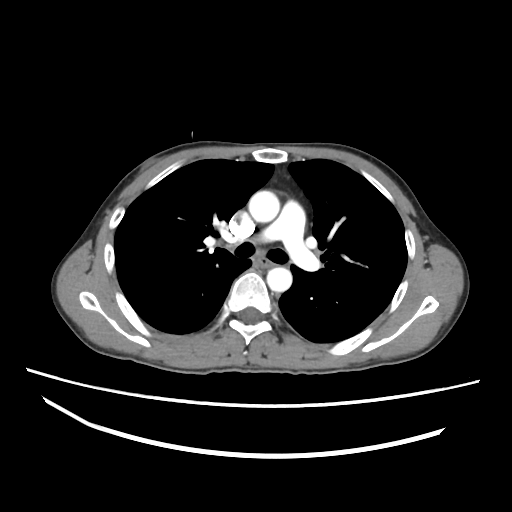

Abdominal CT reaching into the chest; this slice is in the chest — axial view — 512x512 px — 40-year-old male patient
At this level of the chest no structure but the esophagus and the aorta has a label in this dataset, and those two are boxed only where they are labeled.
Bounding boxes in pixels, one row per box: x1, y1 is the top-left corner and x2, y2 the bottom-right.
| organ | x1 | y1 | x2 | y2 |
|---|---|---|---|---|
| aorta | 248 | 190 | 279 | 222 |
| aorta | 266 | 267 | 292 | 291 |
| esophagus | 254 | 256 | 272 | 267 |